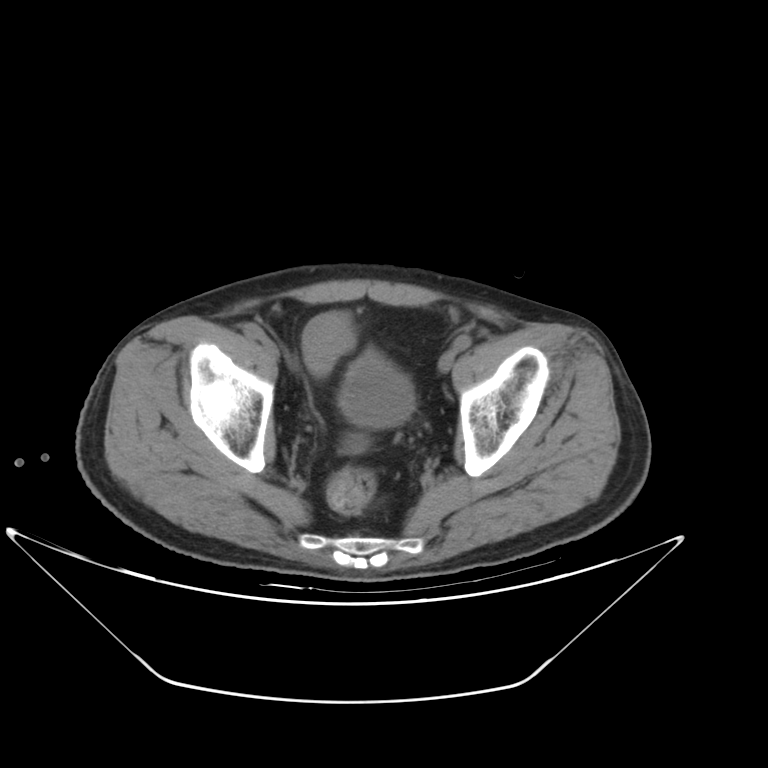
Computed tomography, abdomen — axial view — soft-tissue window (W 400 / L 40) — acquired on Brilliance16
Boxes: x1:y1:x2:y2 in pixels.
bladder: 337:350:415:428